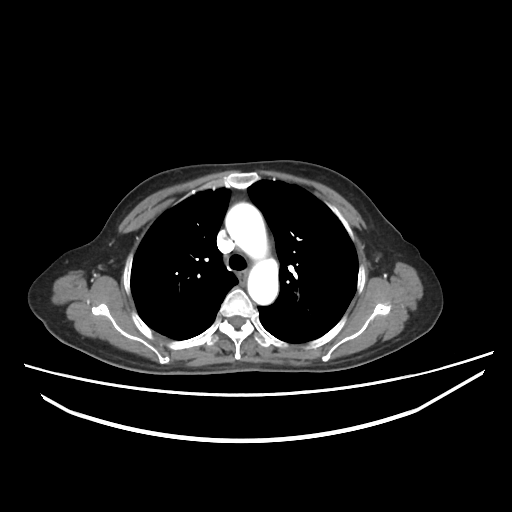

Chest-level CT slice, above the liver and spleen · axial view · W/L 400/40 HU · 63-year-old female patient · acquired on Aquilion ONE
At this level of the chest no structure but the esophagus and the aorta has a label in this dataset, and those two are boxed only where they are labeled.
Bounding boxes in pixels, one row per box: x1, y1 is the top-left corner and x2, y2 the bottom-right.
| organ | x1 | y1 | x2 | y2 |
|---|---|---|---|---|
| aorta | 226 | 202 | 279 | 303 |